Abdominal CT; Axial slice 59/85; abdomen soft-tissue window
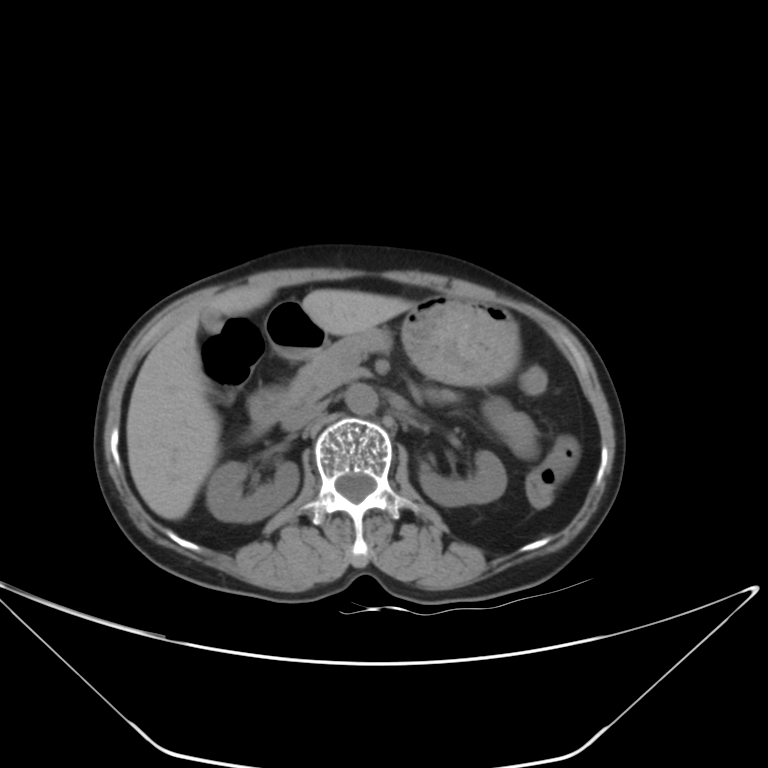 One row per box, in pixels: columns x1 and y1 give the top-left corner, x2 and y2 the bottom-right.
| organ | x1 | y1 | x2 | y2 |
|---|---|---|---|---|
| right kidney | 205 | 461 | 299 | 522 |
| left kidney | 418 | 450 | 506 | 506 |
| gall bladder | 200 | 307 | 219 | 331 |
| liver | 125 | 287 | 411 | 519 |
| stomach | 265 | 296 | 519 | 385 |
| aorta | 345 | 383 | 376 | 414 |
| inferior vena cava | 283 | 402 | 325 | 430 |
| pancreas | 283 | 331 | 390 | 409 |
| duodenum | 249 | 389 | 289 | 429 |